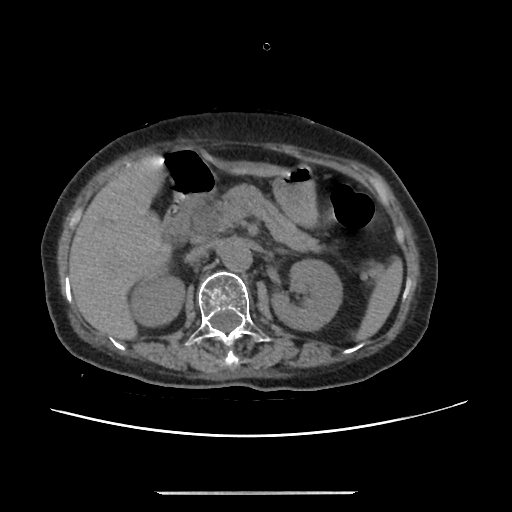
CT, abdomen/pelvis · axial view · SOMATOM Force scanner
{"organs":{"left kidney":[273,258,343,329],"liver":[69,158,277,338],"stomach":[271,165,315,227],"right kidney":[128,266,184,327],"duodenum":[160,151,214,249],"inferior vena cava":[185,243,212,263],"spleen":[357,263,402,341],"aorta":[219,239,252,270],"pancreas":[202,184,316,249]}}